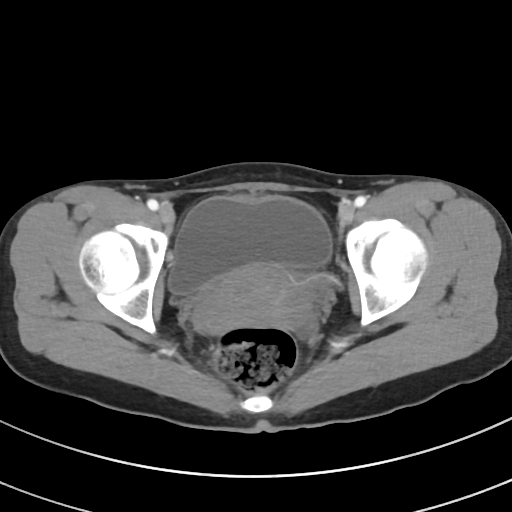

Abdominal CT — axial view
Box edges are left/top/right/bottom in pixels.
Organ bounding boxes:
- bladder: left=168, top=196, right=331, bottom=296
- prostate/uterus: left=193, top=263, right=311, bottom=331